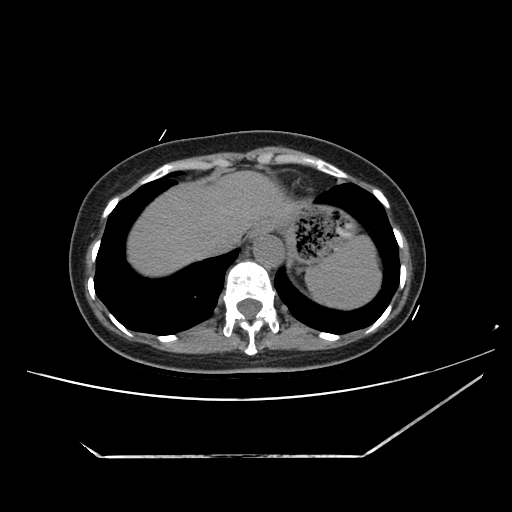

CT, abdomen/pelvis; axial plane, index 127; soft-tissue window (W 400 / L 40); 512x512 px
Box edges are left/top/right/bottom in pixels.
Organ bounding boxes:
- spleen: left=306, top=237, right=380, bottom=310
- esophagus: left=248, top=223, right=272, bottom=243
- liver: left=128, top=171, right=299, bottom=273
- stomach: left=287, top=205, right=352, bottom=262
- aorta: left=254, top=235, right=285, bottom=268
- inferior vena cava: left=207, top=231, right=239, bottom=254